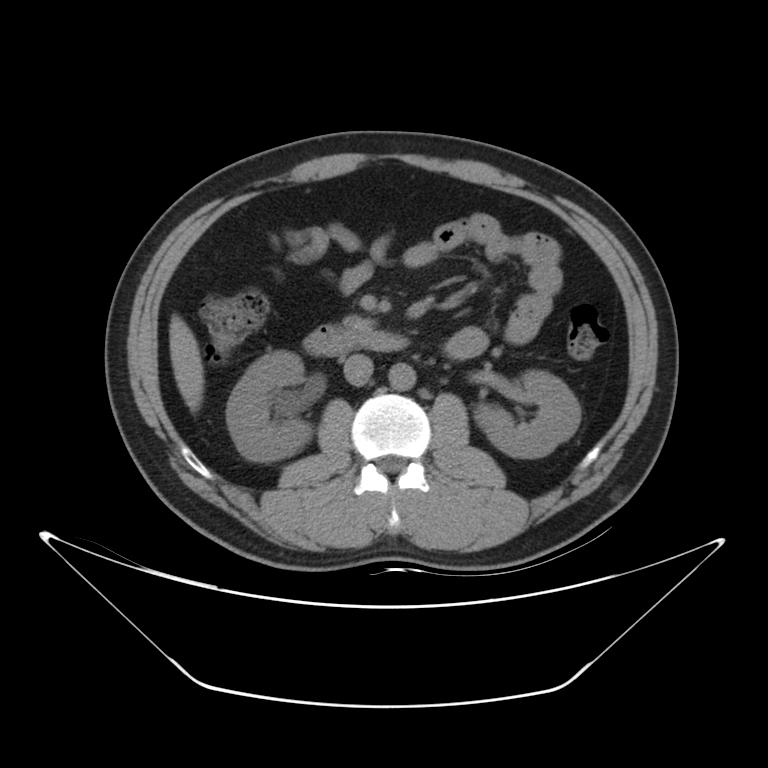

Abdominal CT · Axial slice 69/100 · W/L 400/40 HU · 768x768 px · 15 organs annotated in this scan (that count is for the whole scan; organs this slice misses have no box)
Boxes are (x1, y1, x2, y2) in pixels.
right kidney: (226, 350, 312, 461)
left kidney: (475, 370, 580, 458)
liver: (169, 314, 204, 412)
duodenum: (304, 325, 407, 355)
pancreas: (343, 316, 373, 336)
inferior vena cava: (343, 354, 373, 386)
aorta: (389, 363, 416, 390)